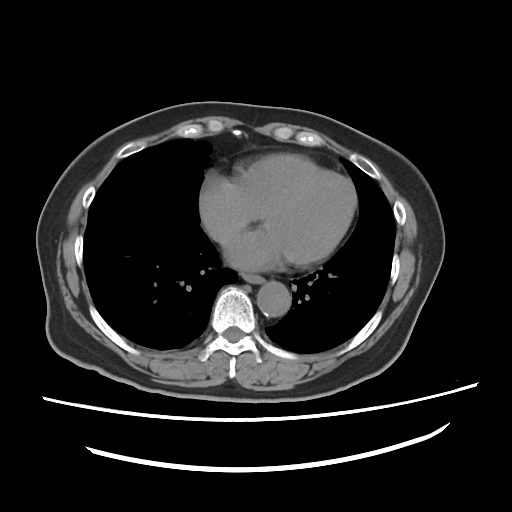

Abdominal CT; this slice is in the lower chest, just above the liver. axial view. 61-year-old female patient
Of the structures in the chest, this dataset labels only the esophagus, the aorta and the inferior vena cava; the heart and lungs have no label.
Bounding boxes as [x1, y1, x2, y2] in pixel coordinates.
esophagus: [242, 273, 263, 283]
aorta: [257, 281, 291, 316]